Chest-level CT slice, above the liver and spleen; Axial slice 111/128; 54-year-old male patient; Aquilion ONE scanner
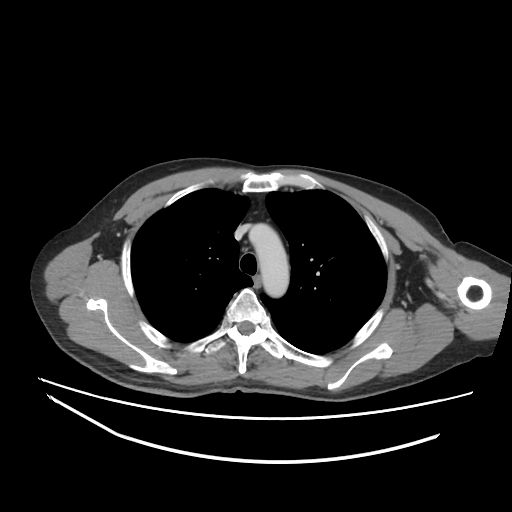
On a slice this high in the chest, this dataset labels only the esophagus and the aorta, and each is boxed only where it is labeled; the heart, lungs and other chest structures are not labeled.
Coordinates as <box>x1,y1,x2,y2</box> in pixels.
esophagus: <box>251,275,260,288</box>
aorta: <box>249,223,288,297</box>